Chest-level CT slice, above the liver and spleen; axial plane, index 312; scan has 15 labeled organs (counted over the whole 3D scan, not this slice; an organ is boxed only where this slice passes through it)
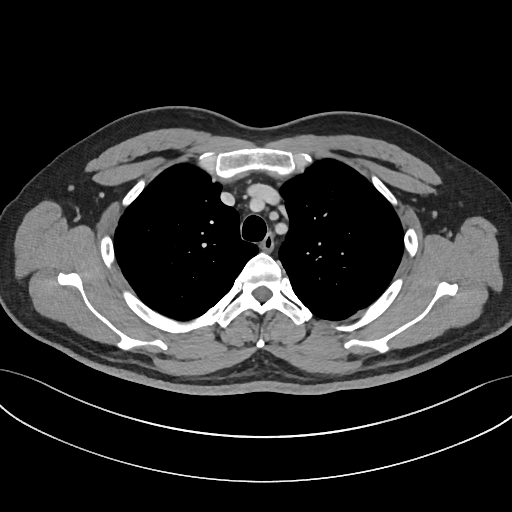

On a slice this high in the chest, this dataset labels only the esophagus and the aorta, and each is boxed only where it is labeled; the heart, lungs and other chest structures are not labeled.
One row per box, in pixels: columns x1 and y1 give the top-left corner, x2 and y2 the bottom-right.
| organ | x1 | y1 | x2 | y2 |
|---|---|---|---|---|
| esophagus | 260 | 233 | 274 | 250 |